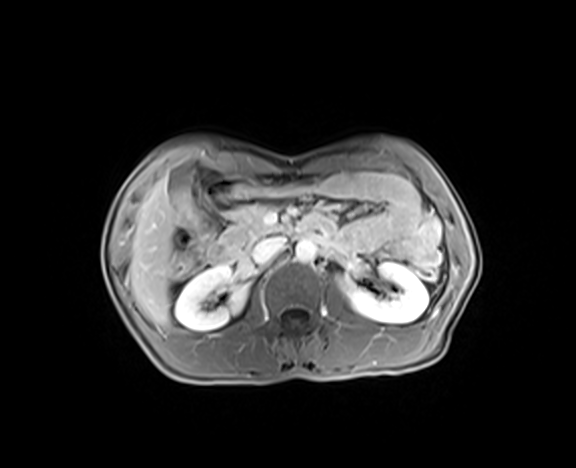
MRI, abdomen. Axial slice 35/72. 576x468 px
{"organs":{"right kidney":[175,265,247,331],"left kidney":[342,262,428,323],"gall bladder":[169,166,191,199],"liver":[129,177,181,324],"aorta":[295,239,316,262],"inferior vena cava":[251,236,286,262],"pancreas":[221,204,279,257],"duodenum":[199,171,254,261]}}